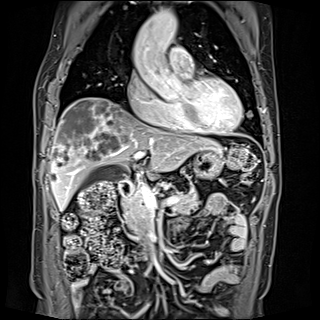

MRI, abdomen. coronal view. 1st–99th percentile window. 13 organs annotated in this scan (that count is for the whole scan; organs this slice misses have no box)
Boxes: x1:y1:x2:y2 in pixels.
gall bladder: 81:166:117:187
liver: 51:97:220:211
stomach: 192:150:223:179
aorta: 133:9:177:55
pancreas: 123:188:199:230
duodenum: 118:179:181:257